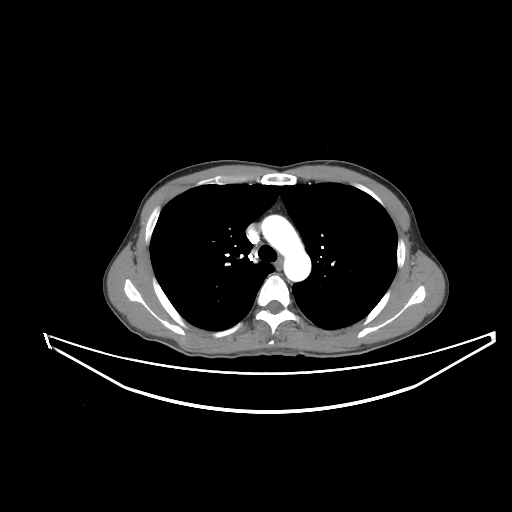

CT of the abdomen extending into the chest, slice through the chest; axial view; soft-tissue window; scan has 15 labeled organs (counted over the whole 3D scan, not this slice; an organ is boxed only where this slice passes through it)
On a slice this high in the chest, this dataset labels only the esophagus and the aorta, and each is boxed only where it is labeled; the heart, lungs and other chest structures are not labeled. Box edges are left/top/right/bottom in pixels. 2 labeled organs on this slice — esophagus at left=276, top=257, right=283, bottom=270; aorta at left=261, top=215, right=311, bottom=281.